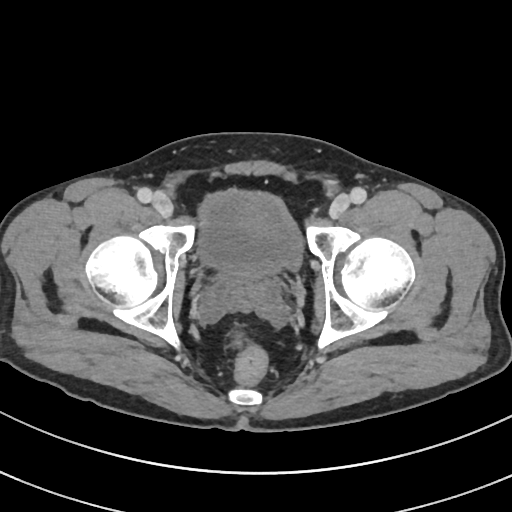 CT abdomen — axial view — 512x512 px — SOMATOM Force scanner
Box edges are left/top/right/bottom in pixels. 2 labeled organs on this slice — bladder at left=198, top=191, right=301, bottom=274; prostate/uterus at left=224, top=269, right=265, bottom=283.